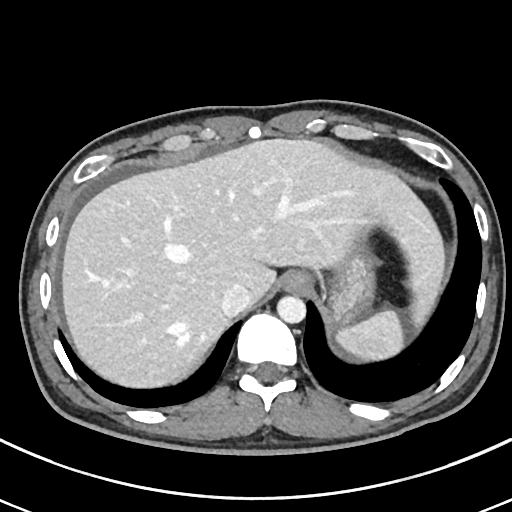
CT abdomen — axial view — W/L 400/40 HU — 512x512 px
Each box given as x1,y1,x2,y2.
spleen: x1=335, y1=310, x2=402, y2=359
esophagus: x1=280, y1=272, x2=310, y2=292
liver: x1=62, y1=139, x2=444, y2=385
stomach: x1=330, y1=247, x2=372, y2=325
aorta: x1=277, y1=296, x2=306, y2=324
inferior vena cava: x1=221, y1=285, x2=250, y2=316